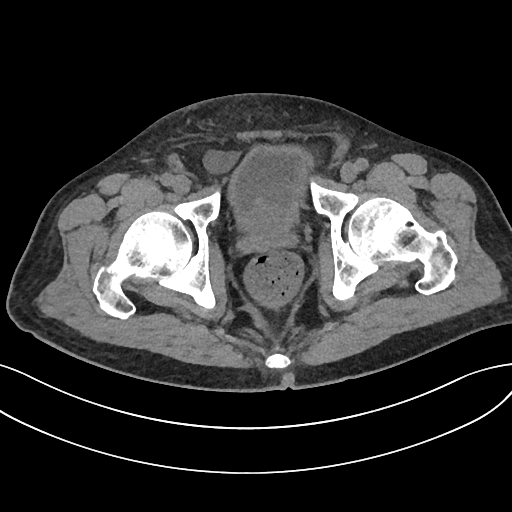

CT abdomen — Axial slice 21/213 — scan has 15 labeled organs (a whole-scan count: organs this slice does not pass through have no box)
Each box given as x1,y1,x2,y2.
bladder: x1=227, y1=146, x2=312, y2=225
prostate/uterus: x1=245, y1=209, x2=291, y2=238